Abdominal CT; axial plane, index 50; soft-tissue window (W 400 / L 40); 512x512 px; 57-year-old female patient; 15 organs annotated in this scan (counted over the whole 3D scan, not this slice; an organ is boxed only where this slice passes through it)
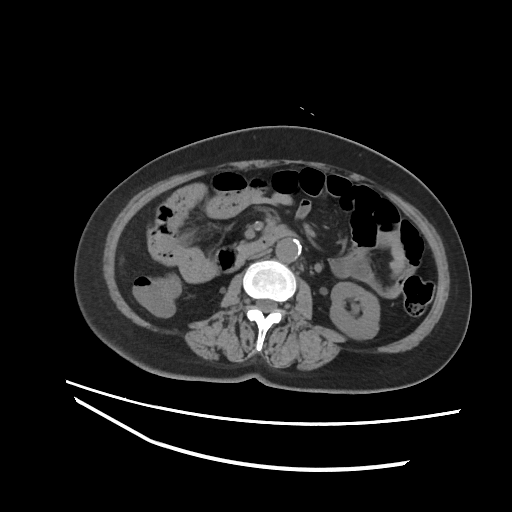

Each box given as x1,y1,x2,y2.
duodenum: x1=215, y1=226, x2=292, y2=271
aorta: x1=276, y1=238, x2=300, y2=261
left kidney: x1=330, y1=282, x2=379, y2=338
inferior vena cava: x1=247, y1=249, x2=269, y2=259